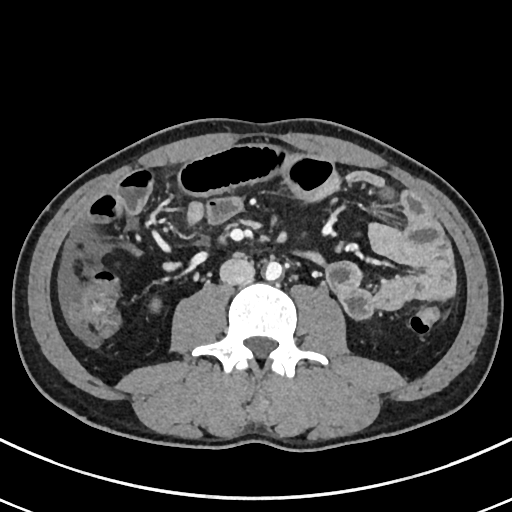

Computed tomography, abdomen; axial view
Bounding boxes as [x1, y1, x2, y2] in pixel coordinates.
Organ bounding boxes:
- inferior vena cava: [219, 258, 255, 285]
- aorta: [264, 261, 282, 280]
- right kidney: [150, 299, 162, 311]